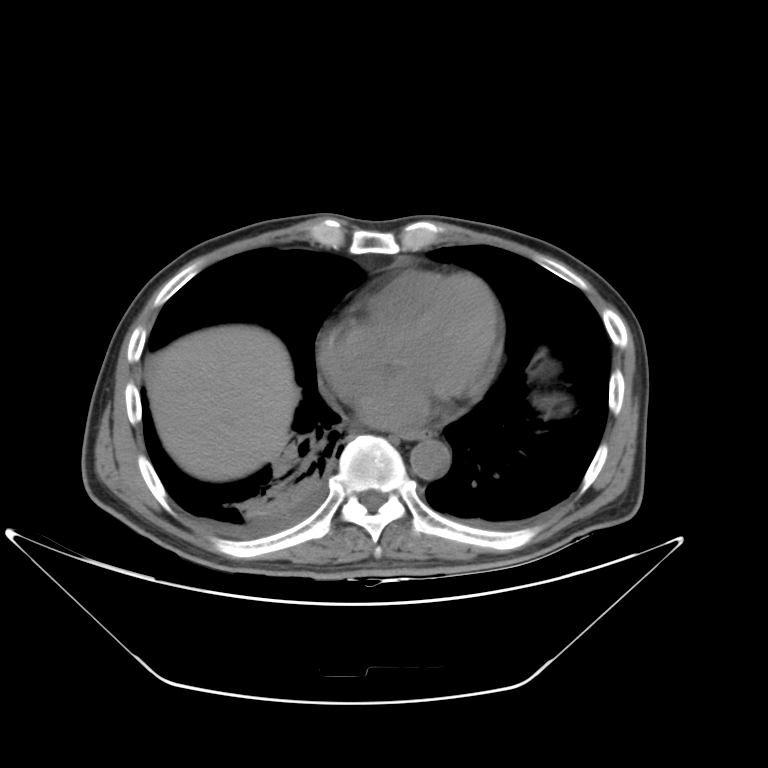 CT abdomen; axial view; 65-year-old male patient
{"organs":{"esophagus":[397,429,431,439],"liver":[146,324,299,481],"aorta":[411,439,450,480]}}